Abdominal MRI; this slice is in the lower chest, just above the liver; axial view; 320x260 px
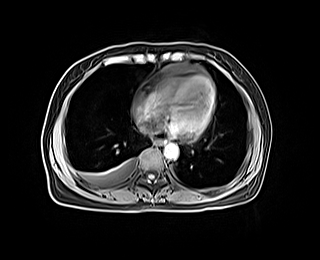

No part of the heart or lungs is labeled in this dataset, so neither has a box here.
<organs><organ name="esophagus" x1="154" y1="139" x2="163" y2="146"/><organ name="aorta" x1="164" y1="143" x2="178" y2="159"/><organ name="inferior vena cava" x1="139" y1="125" x2="149" y2="132"/></organs>